CT, abdomen/pelvis — axial view — 52-year-old female patient
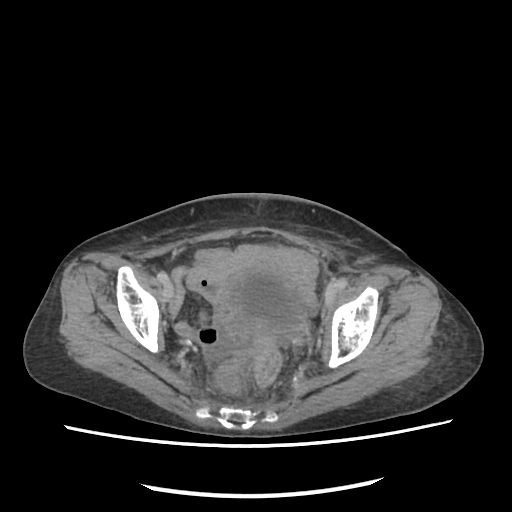 <organs><organ name="bladder" x1="219" y1="265" x2="306" y2="335"/></organs>